CT, abdomen/pelvis. axial view. soft-tissue window. 512x512 px
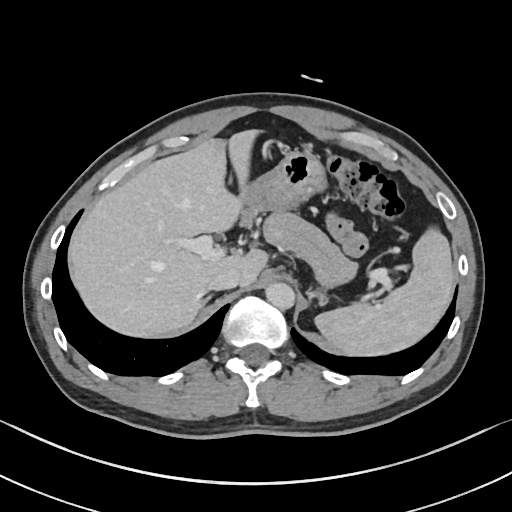

Organ boxes in pixel coordinates; each row gives the top-left (x1, y1) and bottom-right (x2, y2) corners.
| organ | x1 | y1 | x2 | y2 |
|---|---|---|---|---|
| pancreas | 263 | 211 | 358 | 286 |
| inferior vena cava | 209 | 267 | 240 | 290 |
| stomach | 239 | 151 | 327 | 225 |
| right adrenal gland | 200 | 294 | 212 | 308 |
| liver | 68 | 130 | 267 | 337 |
| aorta | 265 | 282 | 295 | 309 |
| spleen | 315 | 228 | 454 | 355 |